Abdominal CT · Axial slice 55/305 · W/L 400/40 HU · scan has 15 labeled organs (that count is for the whole scan; organs this slice misses have no box)
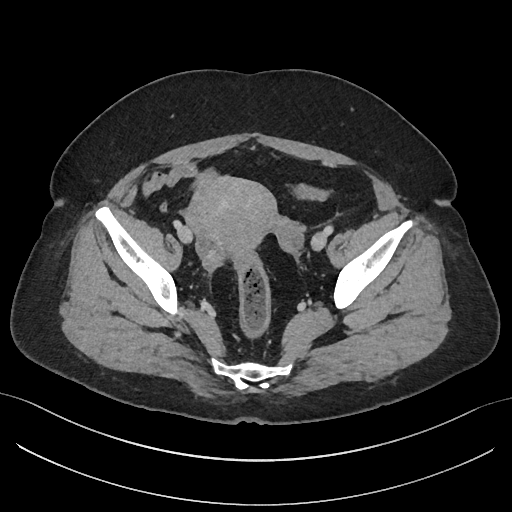
One row per box, in pixels: columns x1 and y1 give the top-left corner, x2 and y2 the bottom-right.
| organ | x1 | y1 | x2 | y2 |
|---|---|---|---|---|
| prostate/uterus | 186 | 177 | 275 | 260 |